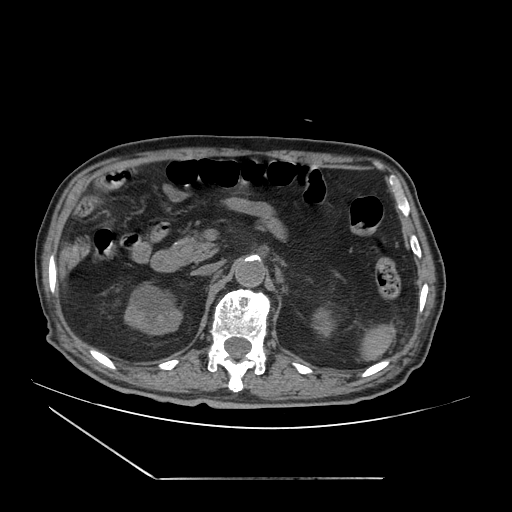 CT abdomen — axial view — abdomen soft-tissue window — acquired on SOMATOM Force
Boxes: x1 y1 x2 y2 (pixel coords, space-separated). The annotated organs in this slice are: spleen at 360 324 395 360, aorta at 234 257 265 286, duodenum at 150 250 180 272, right kidney at 124 284 182 334, left kidney at 313 307 334 336, inferior vena cava at 192 262 220 275, pancreas at 171 234 218 264.